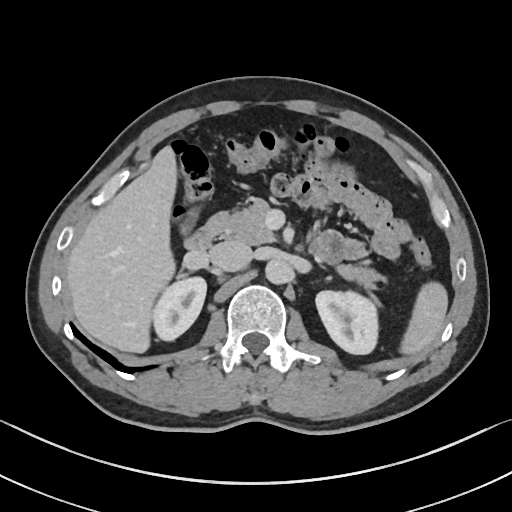
Computed tomography, abdomen — Axial slice 135/291 — 512x512 px
Each box given as x1,y1,x2,y2.
Organ bounding boxes:
- spleen: x1=400, y1=282, x2=447, y2=354
- right kidney: x1=152, y1=276, x2=206, y2=340
- left kidney: x1=315, y1=290, x2=378, y2=354
- gall bladder: x1=183, y1=214, x2=194, y2=231
- liver: x1=66, y1=146, x2=177, y2=353
- aorta: x1=265, y1=258, x2=292, y2=284
- inferior vena cava: x1=210, y1=240, x2=251, y2=271
- pancreas: x1=217, y1=199, x2=383, y2=288
- duodenum: x1=184, y1=211, x2=228, y2=253